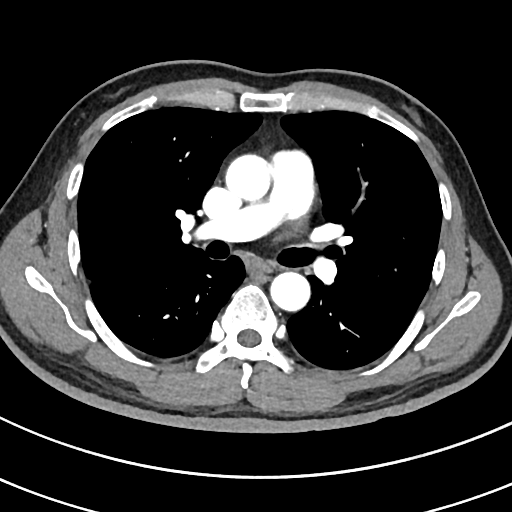 CT of the abdomen extending into the chest, slice through the chest — Axial slice 238/302 — 512x512 px — acquired on SOMATOM Force
On a slice this high in the chest, this dataset labels only the esophagus and the aorta, and each is boxed only where it is labeled; the heart, lungs and other chest structures are not labeled. Each box given as x1,y1,x2,y2. 2 labeled organs on this slice — esophagus at x1=249, y1=259, x2=272, y2=274; aorta at x1=225, y1=154, x2=269, y2=200; aorta at x1=270, y1=271, x2=310, y2=310.